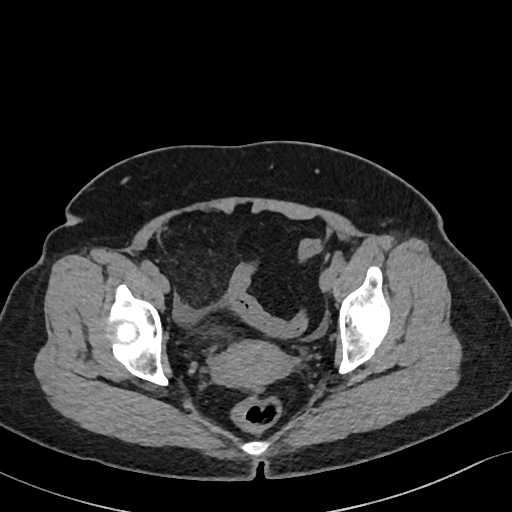
Abdominal CT. Axial slice 29/192. W/L 400/40 HU. 512x512 px. scan has 15 labeled organs (a whole-scan count: organs this slice does not pass through have no box)
{"organs":{"prostate/uterus":[212,340,291,387]}}